Abdominal CT reaching into the chest; this slice is in the chest — axial view
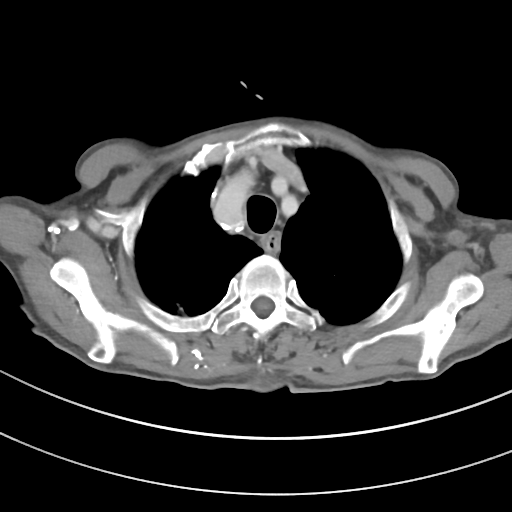
At this level of the chest no structure but the esophagus and the aorta has a label in this dataset, and those two are boxed only where they are labeled.
{"organs":{"esophagus":[261,233,279,250]}}